Abdominal CT; axial view; abdomen soft-tissue window; scan has 15 labeled organs (counted over the whole 3D scan, not this slice; an organ is boxed only where this slice passes through it)
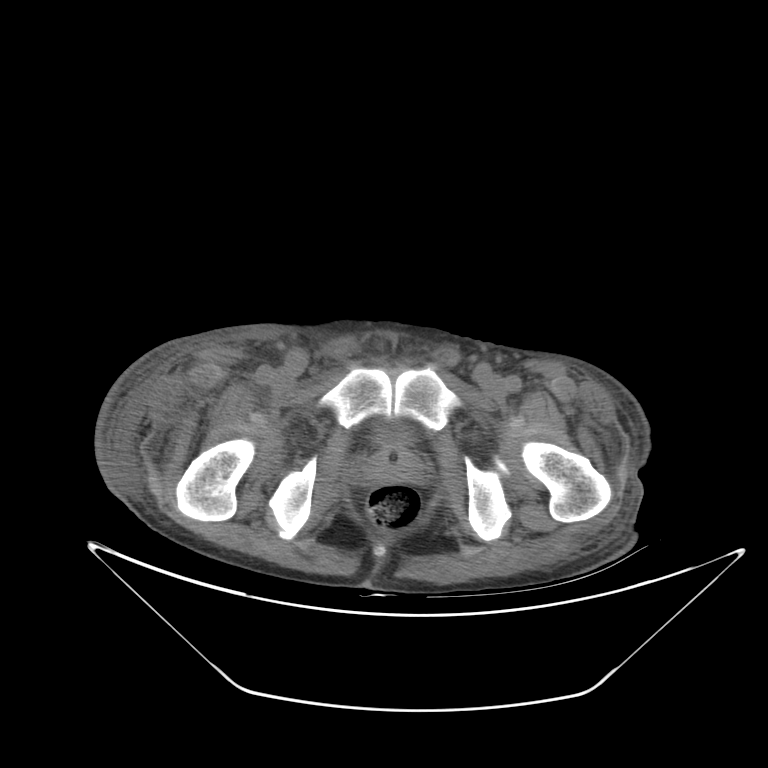
Bounding boxes in pixels, one row per box: x1, y1 is the top-left corner and x2, y2 the bottom-right.
| organ | x1 | y1 | x2 | y2 |
|---|---|---|---|---|
| bladder | 376 | 419 | 414 | 447 |
| prostate/uterus | 365 | 447 | 421 | 483 |